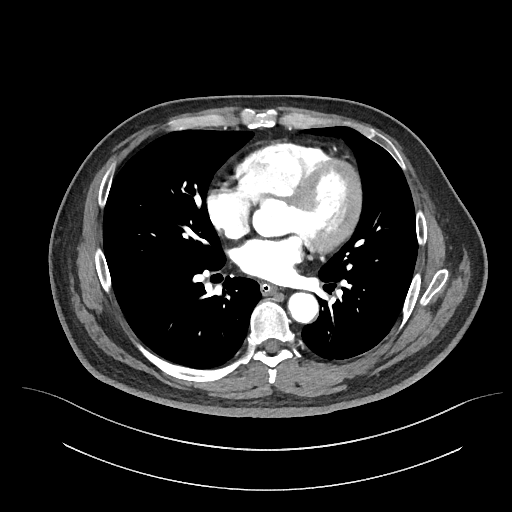

CT of the abdomen reaching into the lower chest, slice just above the liver and spleen · axial view · soft-tissue window (W 400 / L 40) · 512x512 px · SOMATOM Force scanner
No part of the heart or lungs is labeled in this dataset, so neither has a box here.
Bounding boxes as [x1, y1, x2, y2] in pixel coordinates.
Organ bounding boxes:
- aorta: [288, 292, 318, 322]
- esophagus: [260, 283, 277, 295]